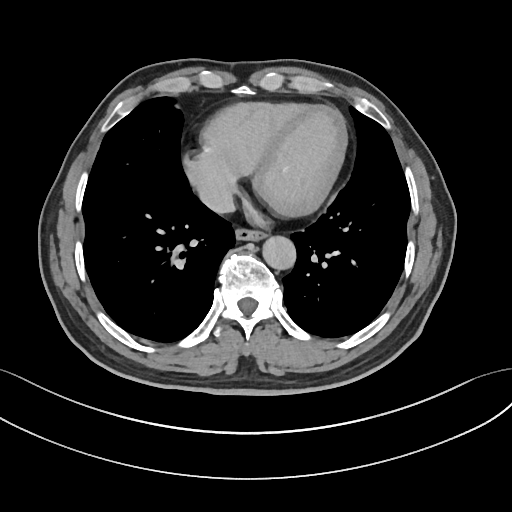 Lower-chest slice from an abdominal CT, just above the liver and spleen. axial plane, index 215. W/L 400/40 HU. SOMATOM Force scanner
No part of the heart or lungs is labeled in this dataset, so neither has a box here.
One row per box, in pixels: columns x1 and y1 give the top-left corner, x2 and y2 the bottom-right.
| organ | x1 | y1 | x2 | y2 |
|---|---|---|---|---|
| esophagus | 235 | 228 | 265 | 240 |
| aorta | 262 | 235 | 296 | 269 |
| inferior vena cava | 199 | 184 | 235 | 213 |